Abdominal CT; this slice is in the lower chest, just above the liver — axial plane, index 85 — 15 organs annotated in this scan (counted over the whole 3D scan, not this slice; an organ is boxed only where this slice passes through it)
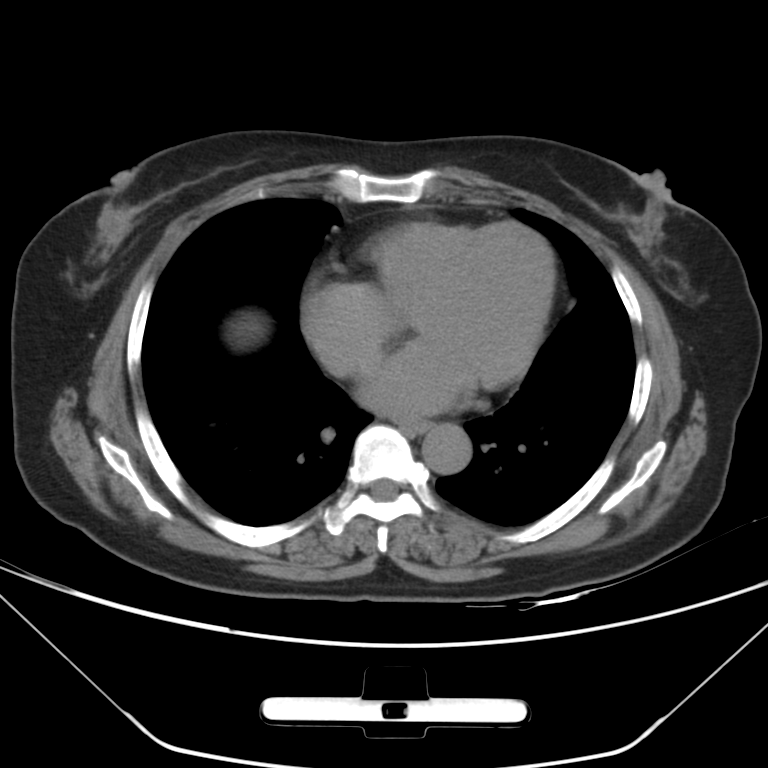 Of the structures in the chest, this dataset labels only the esophagus, the aorta and the inferior vena cava; the heart and lungs have no label.
Boxes are (x1, y1, x2, y2) in pixels.
Organ bounding boxes:
- esophagus: (400, 420, 428, 435)
- aorta: (421, 424, 471, 474)